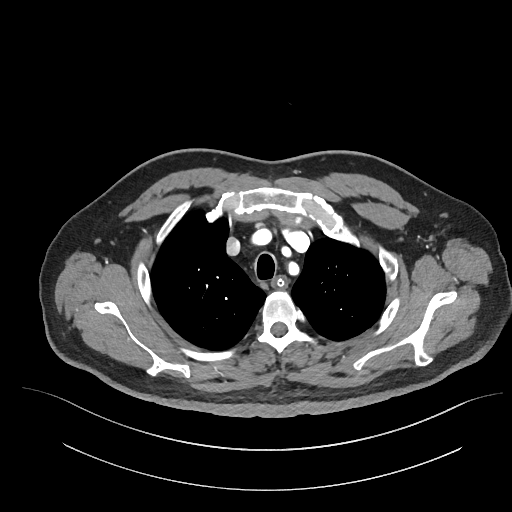

Abdominal CT reaching into the chest; this slice is in the chest · axial view · W/L 400/40 HU · SOMATOM Force scanner
On a slice this high in the chest, this dataset labels only the esophagus and the aorta, and each is boxed only where it is labeled; the heart, lungs and other chest structures are not labeled.
Boxes are (x1, y1, x2, y2) in pixels.
esophagus: (274, 276, 285, 287)